Abdominal CT reaching into the chest; this slice is in the chest — axial view — 13 organs annotated in this scan (that count is for the whole scan; organs this slice misses have no box)
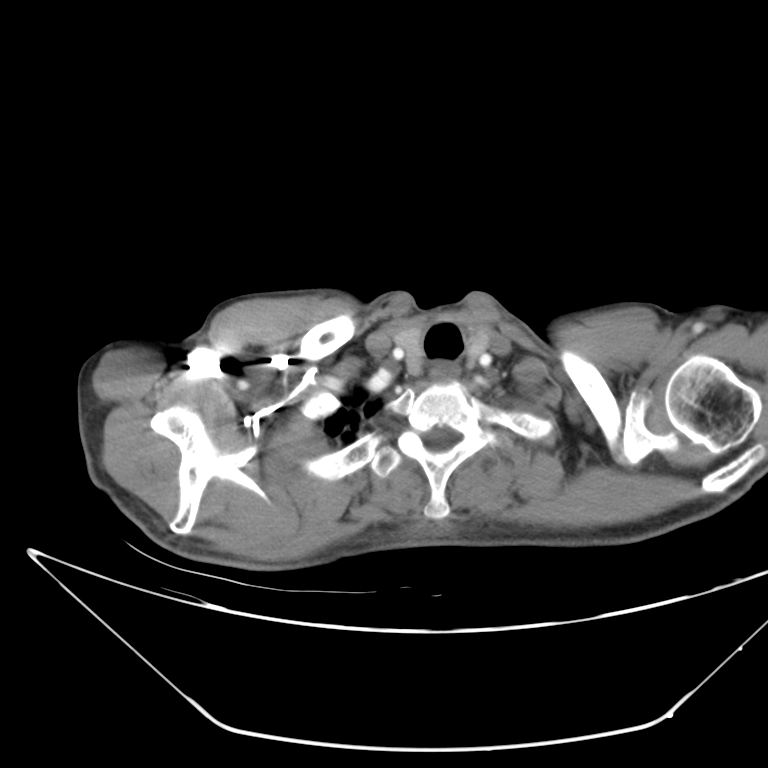

At this level of the chest this dataset labels only the esophagus and the aorta, and each is boxed only where it is labeled; the heart and lungs are never labeled.
Bounding boxes as [x1, y1, x2, y2] in pixel coordinates.
esophagus: [431, 362, 459, 386]